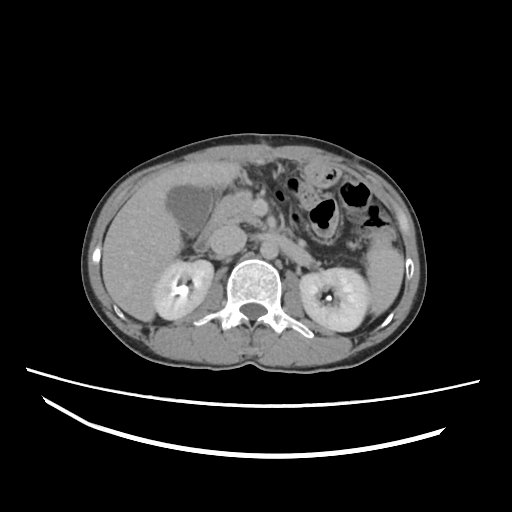

Computed tomography, abdomen; axial plane, index 71
Each box given as x1,y1,x2,y2. 9 labeled organs on this slice — pancreas at x1=214, y1=190, x2=259, y2=223; left kidney at x1=299, y1=267, x2=371, y2=331; liver at x1=101, y1=160, x2=239, y2=322; aorta at x1=260, y1=239, x2=278, y2=258; gall bladder at x1=166, y1=186, x2=213, y2=233; inferior vena cava at x1=210, y1=225, x2=246, y2=256; right kidney at x1=157, y1=259, x2=213, y2=320; spleen at x1=366, y1=247, x2=403, y2=316; duodenum at x1=194, y1=220, x2=225, y2=252.